Abdominal CT — Axial slice 11/94 — 768x768 px — 59-year-old male patient
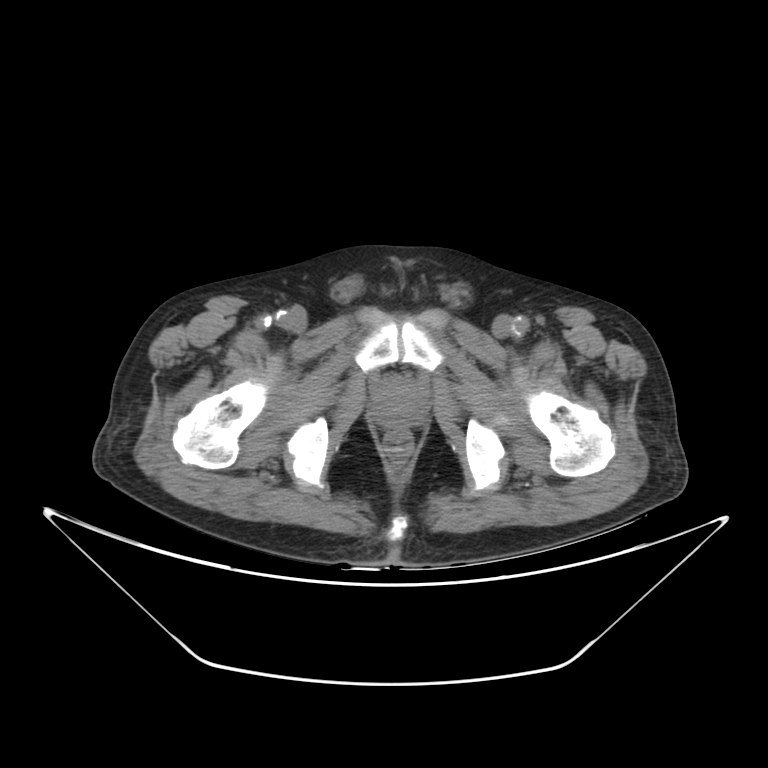 Box edges are left/top/right/bottom in pixels. Labeled organs on this slice: prostate/uterus at left=373, top=377, right=426, bottom=426.